Abdominal CT · axial plane, index 182
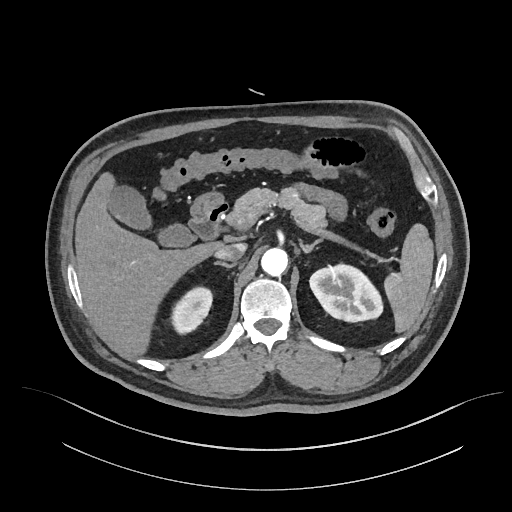 Boxes are (x1, y1, x2, y2) in pixels. Labeled organs on this slice: spleen at (384, 223, 434, 332), right kidney at (173, 285, 213, 334), left kidney at (309, 263, 383, 322), gall bladder at (107, 185, 193, 247), liver at (75, 174, 218, 354), stomach at (191, 193, 223, 219), aorta at (261, 247, 288, 275), inferior vena cava at (215, 243, 246, 261), pancreas at (226, 188, 324, 225), right adrenal gland at (215, 260, 233, 268), left adrenal gland at (300, 239, 321, 252), duodenum at (188, 201, 228, 241).